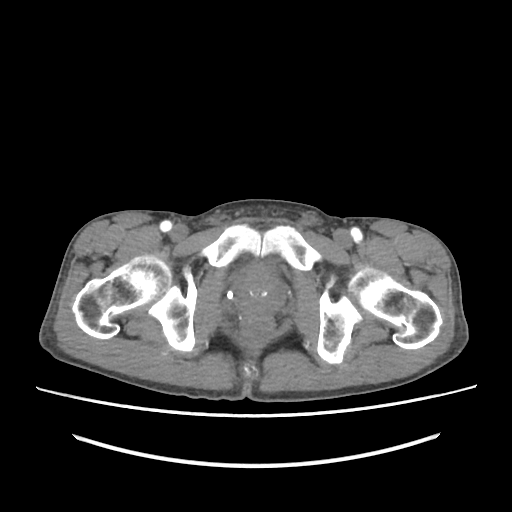

Computed tomography, abdomen. axial plane, index 9
Each box given as x1,y1,x2,y2. 1 labeled organ on this slice — prostate/uterus at x1=235, y1=274, x2=283, y2=318.